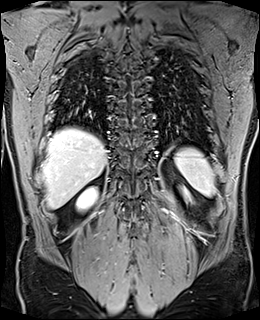
Magnetic resonance imaging, abdomen; coronal acquisition; Prisma scanner
<organs><organ name="liver" x1="43" y1="128" x2="106" y2="208"/><organ name="spleen" x1="174" y1="147" x2="215" y2="196"/><organ name="right kidney" x1="76" y1="187" x2="96" y2="209"/><organ name="left kidney" x1="184" y1="190" x2="188" y2="197"/></organs>